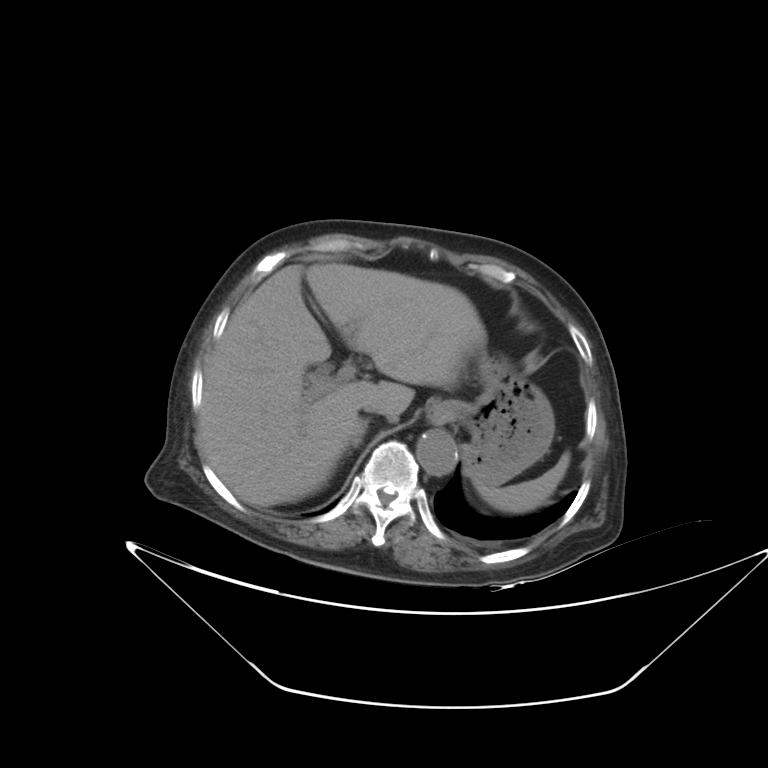
CT abdomen · axial view · soft-tissue window (W 400 / L 40) · 80-year-old female patient
One row per box, in pixels: columns x1 and y1 give the top-left corner, x2 and y2 the bottom-right.
| organ | x1 | y1 | x2 | y2 |
|---|---|---|---|---|
| spleen | 475 | 451 | 570 | 513 |
| esophagus | 427 | 401 | 457 | 425 |
| liver | 196 | 263 | 486 | 506 |
| stomach | 453 | 355 | 554 | 486 |
| aorta | 416 | 429 | 457 | 475 |
| inferior vena cava | 363 | 401 | 393 | 420 |
| right adrenal gland | 352 | 422 | 366 | 447 |